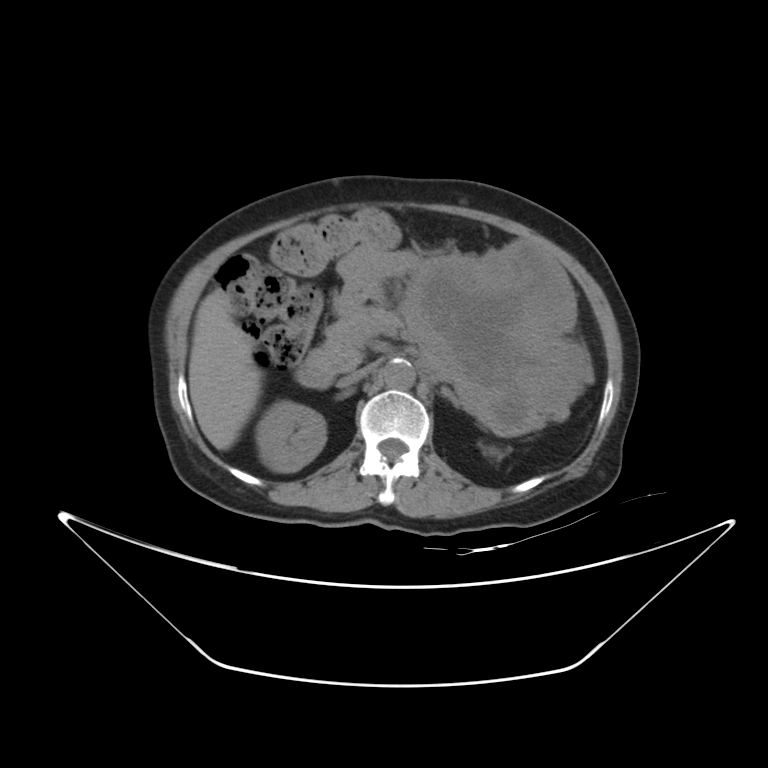

Computed tomography, abdomen. axial view. 768x768 px. scan has 15 labeled organs (that count is for the whole scan; organs this slice misses have no box)
Bounding boxes as [x1, y1, x2, y2] in pixel coordinates.
pancreas: [307, 311, 568, 432]
stomach: [334, 240, 593, 433]
inferior vena cava: [339, 366, 370, 386]
liver: [189, 292, 259, 450]
aorta: [381, 358, 415, 390]
duodenum: [296, 362, 333, 389]
left kidney: [485, 447, 498, 455]
right kidney: [257, 400, 325, 471]
left adrenal gland: [441, 389, 457, 404]